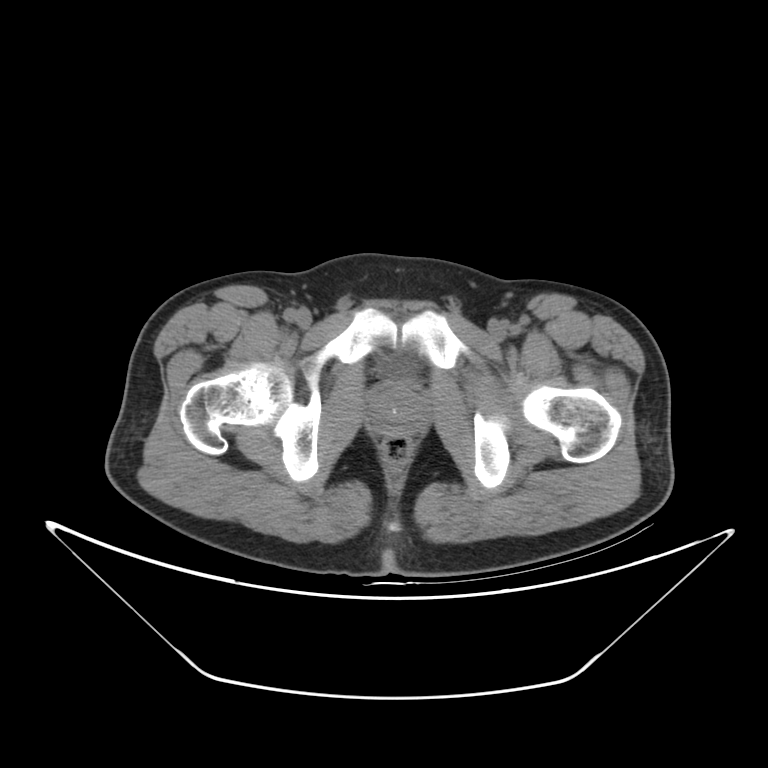

Abdominal CT — axial view — soft-tissue window — 25-year-old male patient — scan has 15 labeled organs (a whole-scan count: organs this slice does not pass through have no box)
{"organs":{"bladder":[376,358,414,377],"prostate/uterus":[372,383,428,434]}}